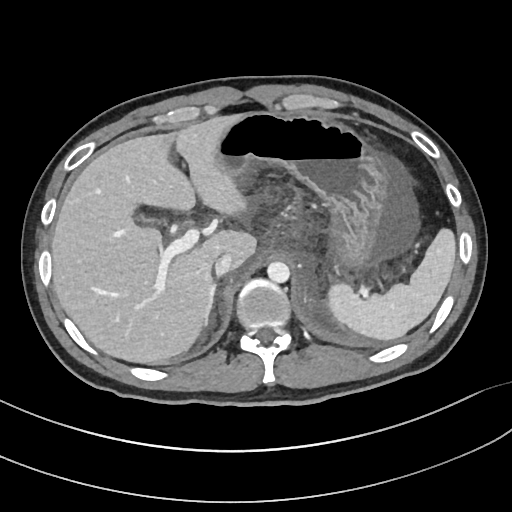
Abdominal CT · Axial slice 192/251 · abdomen soft-tissue window · 512x512 px · 15 organs annotated in this scan (counted over the whole 3D scan, not this slice; an organ is boxed only where this slice passes through it)
<organs><organ name="spleen" x1="325" y1="229" x2="454" y2="340"/><organ name="liver" x1="52" y1="115" x2="256" y2="363"/><organ name="stomach" x1="217" y1="112" x2="394" y2="274"/><organ name="aorta" x1="267" y1="261" x2="290" y2="283"/><organ name="inferior vena cava" x1="214" y1="253" x2="231" y2="276"/><organ name="right adrenal gland" x1="205" y1="283" x2="216" y2="326"/></organs>